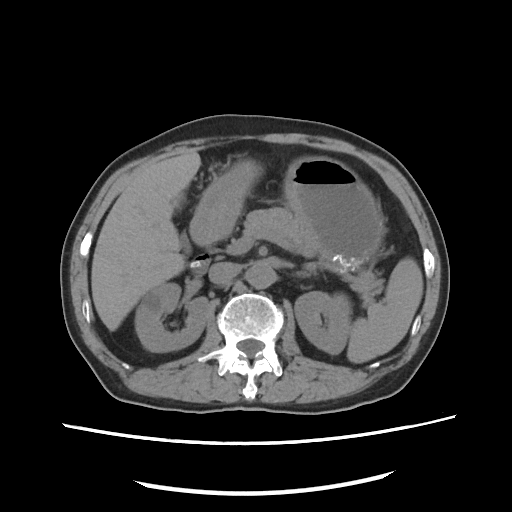

CT abdomen · axial view · 68-year-old male patient · Aquilion ONE scanner
Boxes are (x1, y1, x2, y2) in pixels.
spleen: (347, 258, 423, 363)
right kidney: (135, 283, 208, 351)
left kidney: (294, 291, 350, 354)
liver: (91, 149, 201, 330)
stomach: (190, 156, 384, 268)
aorta: (246, 262, 275, 288)
inferior vena cava: (208, 262, 240, 284)
pancreas: (228, 207, 380, 302)
left adrenal gland: (294, 271, 307, 277)
duodenum: (191, 234, 230, 274)